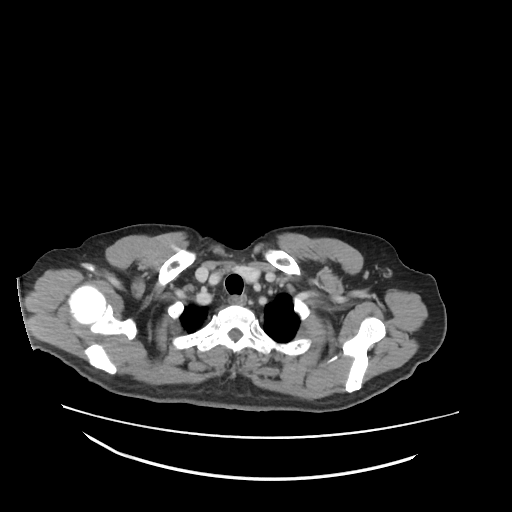
CT of the abdomen extending into the chest, slice through the chest. axial view. 512x512 px
At this level of the chest no structure but the esophagus and the aorta has a label in this dataset, and those two are boxed only where they are labeled. Each box given as x1,y1,x2,y2. 1 labeled organ on this slice — esophagus at x1=229, y1=295, x2=247, y2=304.